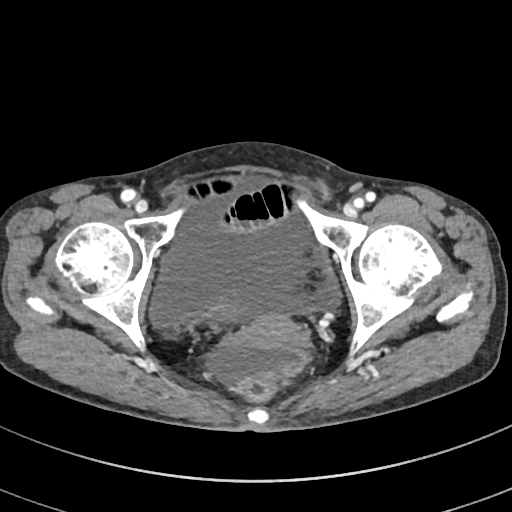 CT, abdomen/pelvis — axial view — soft-tissue window — 512x512 px — SOMATOM Force scanner — scan has 14 labeled organs (a whole-scan count: organs this slice does not pass through have no box)
Boxes: x1:y1:x2:y2 in pixels.
Organ bounding boxes:
- bladder: 187:294:247:323
- prostate/uterus: 241:311:302:348